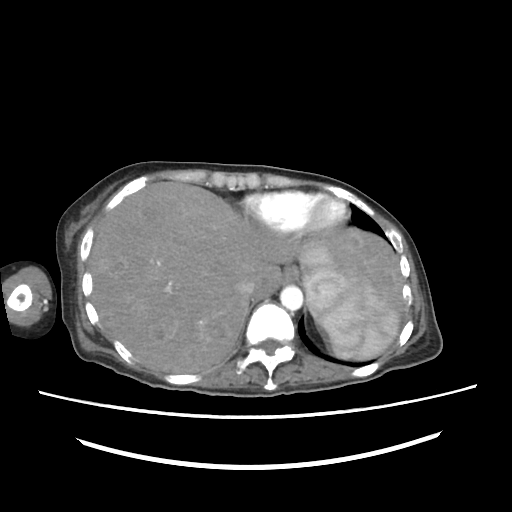
CT abdomen · axial view · soft-tissue window (W 400 / L 40) · 512x512 px · scan has 15 labeled organs (a whole-scan count: organs this slice does not pass through have no box)
{"organs":{"esophagus":[281,266,298,284],"spleen":[298,245,399,359],"aorta":[280,285,303,310],"inferior vena cava":[235,279,254,297],"liver":[89,182,403,373]}}